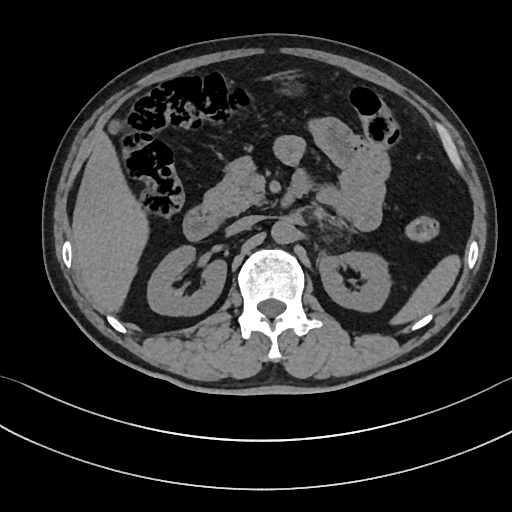
CT abdomen — Axial slice 158/231 — 15 organs annotated in this scan (counted over the whole 3D scan, not this slice; an organ is boxed only where this slice passes through it)
Boxes: x1:y1:x2:y2 in pixels.
Organ bounding boxes:
- spleen: 396:257:459:321
- right kidney: 147:244:226:315
- left kidney: 317:251:392:311
- gall bladder: 111:122:121:132
- liver: 72:134:148:310
- stomach: 284:79:297:91
- aorta: 271:219:296:243
- inferior vena cava: 228:215:259:233
- pancreas: 203:158:264:217
- duodenum: 183:170:308:240